CT abdomen. axial view. 512x512 px. acquired on SOMATOM Force
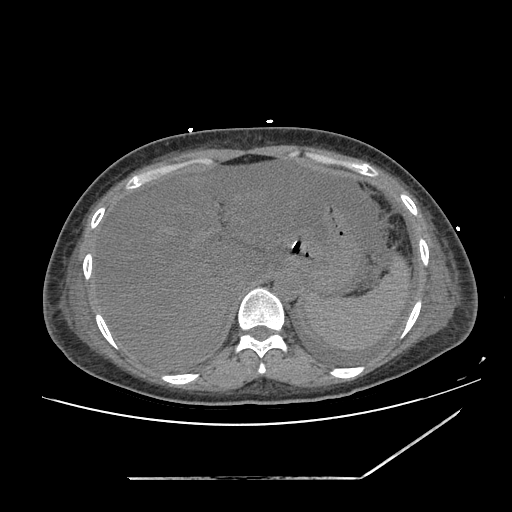

{"organs":{"stomach":[278,203,358,290],"aorta":[273,272,300,300],"inferior vena cava":[228,271,254,299],"liver":[94,160,324,370],"spleen":[305,254,410,350]}}